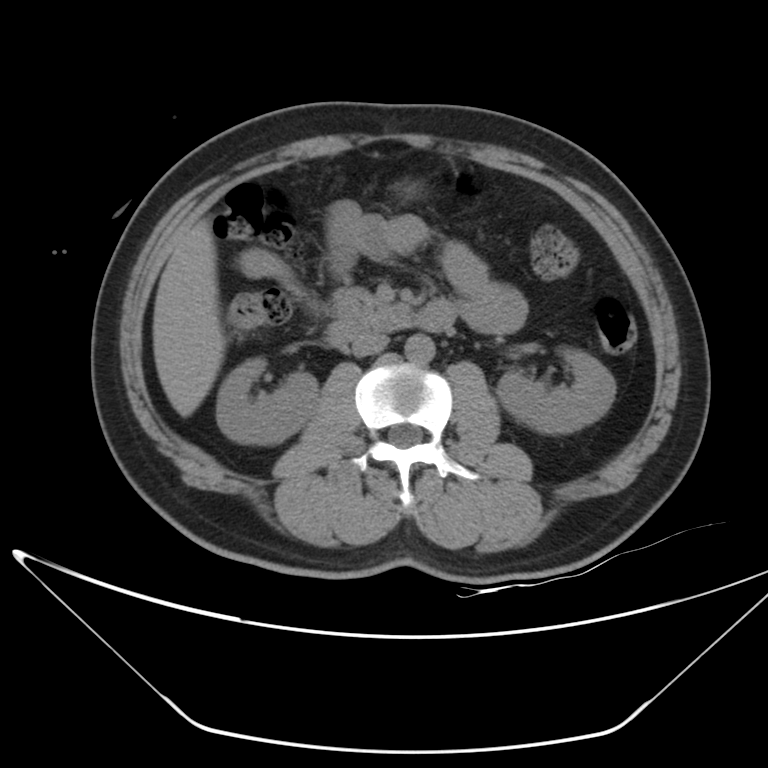 CT, abdomen/pelvis; axial view; soft-tissue window (W 400 / L 40); 768x768 px; 42-year-old male patient
Boxes are (x1, y1, x2, y2) in pixels. Labeled organs on this slice: right kidney at (216, 357, 318, 444), left kidney at (497, 348, 616, 433), liver at (153, 219, 224, 417), aorta at (405, 334, 435, 364), inferior vena cava at (351, 334, 387, 356), pancreas at (329, 286, 393, 325), duodenum at (328, 299, 457, 344).